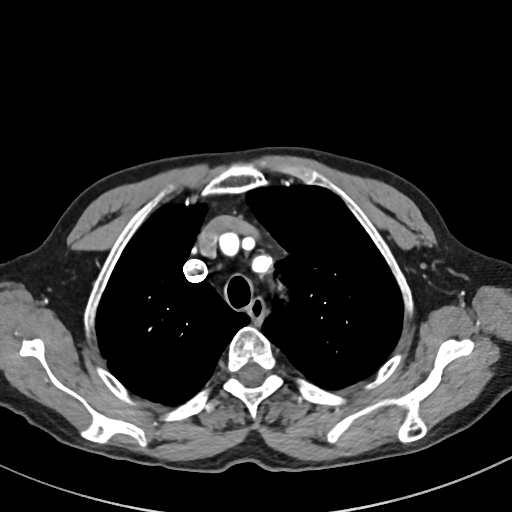

Abdominal CT reaching into the chest; this slice is in the chest. axial view
At this level of the chest no structure but the esophagus and the aorta has a label in this dataset, and those two are boxed only where they are labeled.
<organs><organ name="esophagus" x1="248" y1="298" x2="266" y2="324"/></organs>